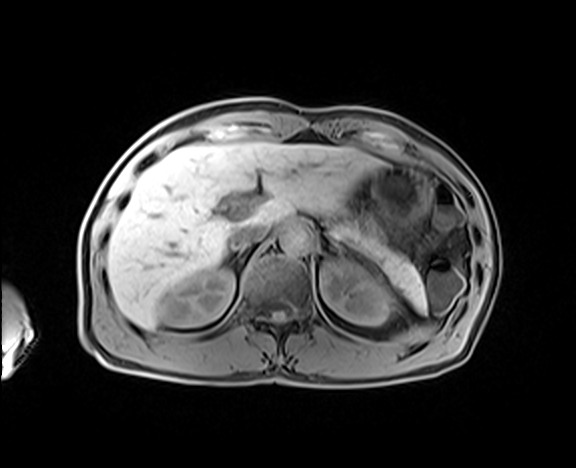

MRI, abdomen; axial plane, index 38; percentile-normalized; 576x468 px; acquired on Prisma; scan has 13 labeled organs (that count is for the whole scan; organs this slice misses have no box)
Coordinates as <box>x1,y1,x2,y2</box> in pixels.
right kidney: <box>165,268,234,326</box>
stomach: <box>371,164,432,240</box>
aorta: <box>279,224,311,254</box>
spleen: <box>392,325,439,343</box>
inferior vena cava: <box>229,223,268,247</box>
left adrenal gland: <box>329,238,346,252</box>
left kidney: <box>320,259,394,325</box>
liver: <box>107,142,381,329</box>
pancreas: <box>331,215,429,319</box>